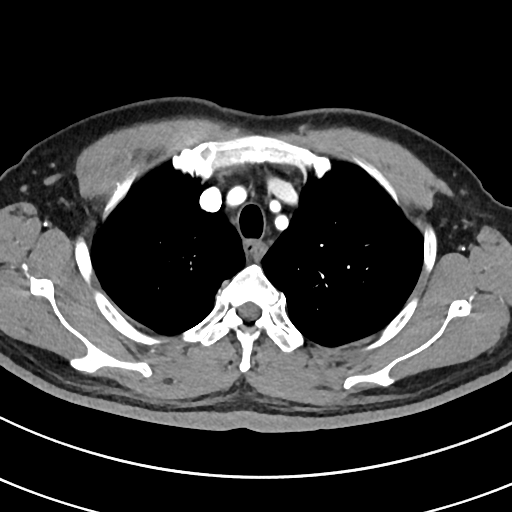
Abdominal CT reaching into the chest; this slice is in the chest; axial view
At this level of the chest no structure but the esophagus and the aorta has a label in this dataset, and those two are boxed only where they are labeled.
<organs><organ name="esophagus" x1="246" y1="242" x2="264" y2="257"/></organs>